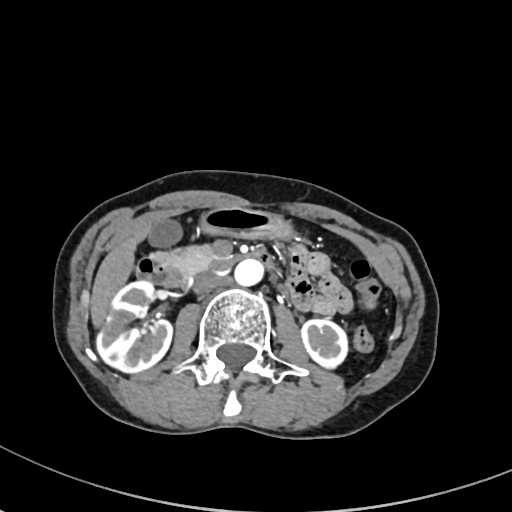 Abdominal CT — Axial slice 137/207 — W/L 400/40 HU
{"organs":{"inferior vena cava":[192,273,227,293],"gall bladder":[150,221,179,244],"right kidney":[95,279,171,372],"left kidney":[302,320,348,369],"stomach":[202,208,292,238],"aorta":[234,259,265,286],"duodenum":[136,250,273,287],"liver":[91,226,151,323],"pancreas":[150,244,218,273]}}